Abdominal CT — axial view — 512x512 px — SOMATOM Force scanner — scan has 14 labeled organs (that count is for the whole scan; organs this slice misses have no box)
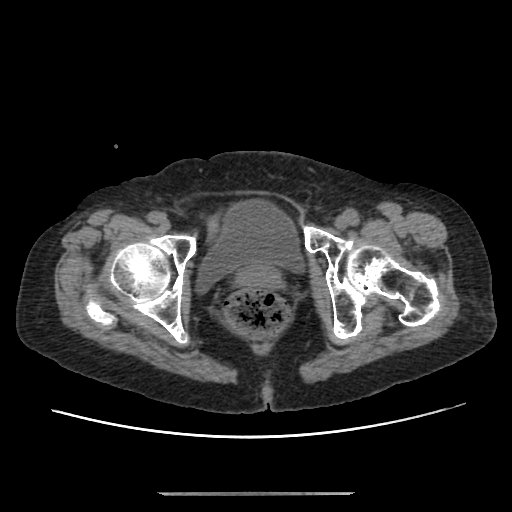
{"organs":{"prostate/uterus":[235,261,283,288],"bladder":[194,199,305,294]}}